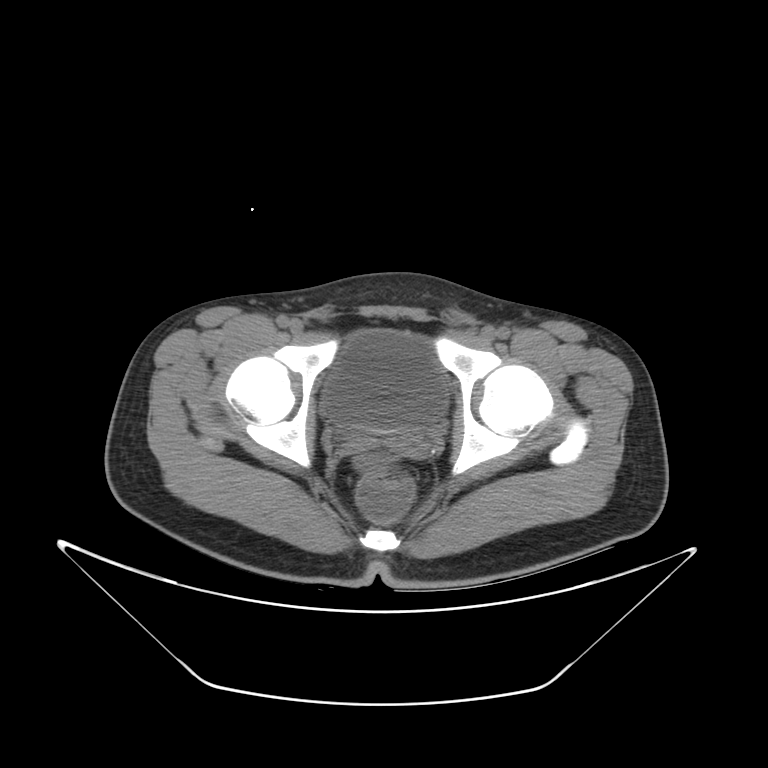
Abdominal CT. axial view. Brilliance16 scanner. 15 organs annotated in this scan (counted over the whole 3D scan, not this slice; an organ is boxed only where this slice passes through it)
Each box given as x1,y1,x2,y2. 1 labeled organ on this slice — bladder at x1=322, y1=330, x2=446, y2=429.